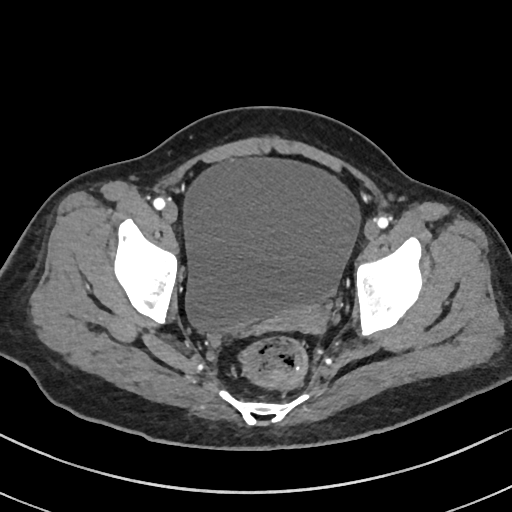
Abdominal CT · axial plane, index 31 · 512x512 px
Boxes: x1 y1 x2 y2 (pixel coords, space-separated).
bladder: 183 157 361 336
prostate/uterus: 275 306 324 331